CT abdomen; axial plane, index 90; soft-tissue window (W 400 / L 40); 24-year-old male patient; scan has 15 labeled organs (counted over the whole 3D scan, not this slice; an organ is boxed only where this slice passes through it)
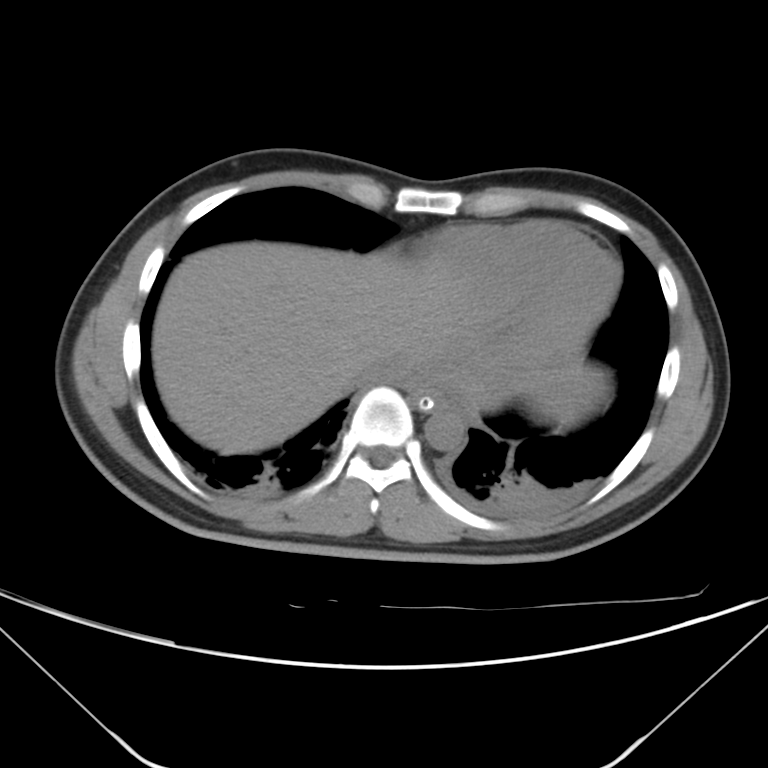 {"organs":{"inferior vena cava":[363,351,414,385],"esophagus":[408,382,446,407],"liver":[151,241,606,453],"aorta":[425,407,466,451]}}